CT abdomen. axial view. soft-tissue window. 512x512 px
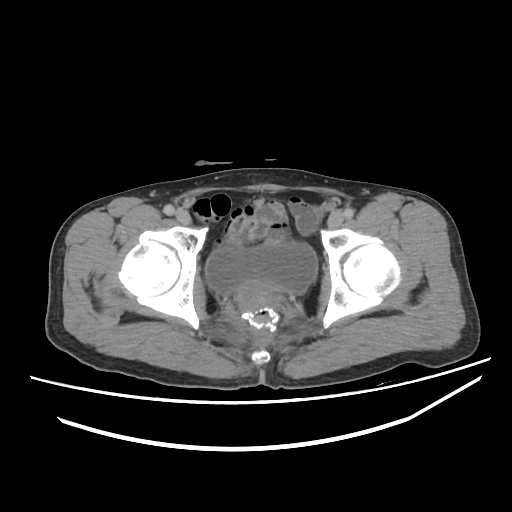

Boxes: x1:y1:x2:y2 in pixels. 2 labeled organs on this slice — bladder at 204:242:317:296; prostate/uterus at 236:283:277:311.